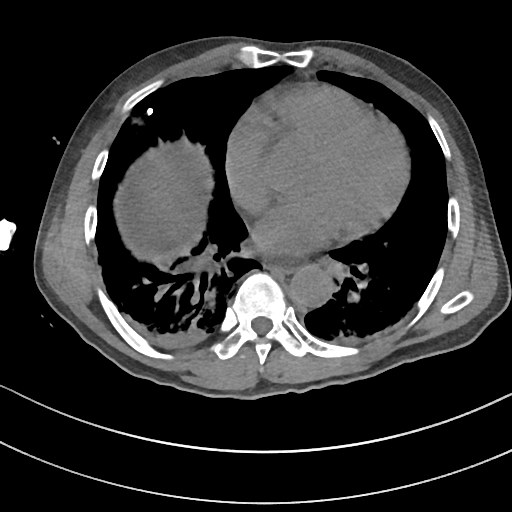 Abdominal CT · axial view · SOMATOM Force scanner
{"organs":{"esophagus":[263,256,299,271],"liver":[137,156,194,249],"aorta":[289,266,331,306]}}